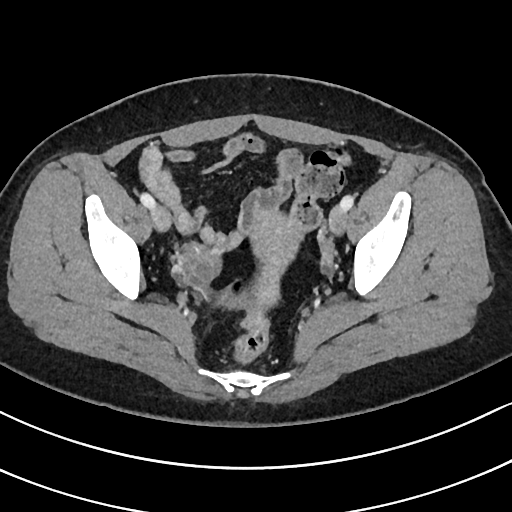 Abdominal CT · axial view
Organ boxes in pixel coordinates; each row gives the top-left (x1, y1) and bottom-right (x2, y2) corners.
| organ | x1 | y1 | x2 | y2 |
|---|---|---|---|---|
| prostate/uterus | 248 | 207 | 302 | 314 |